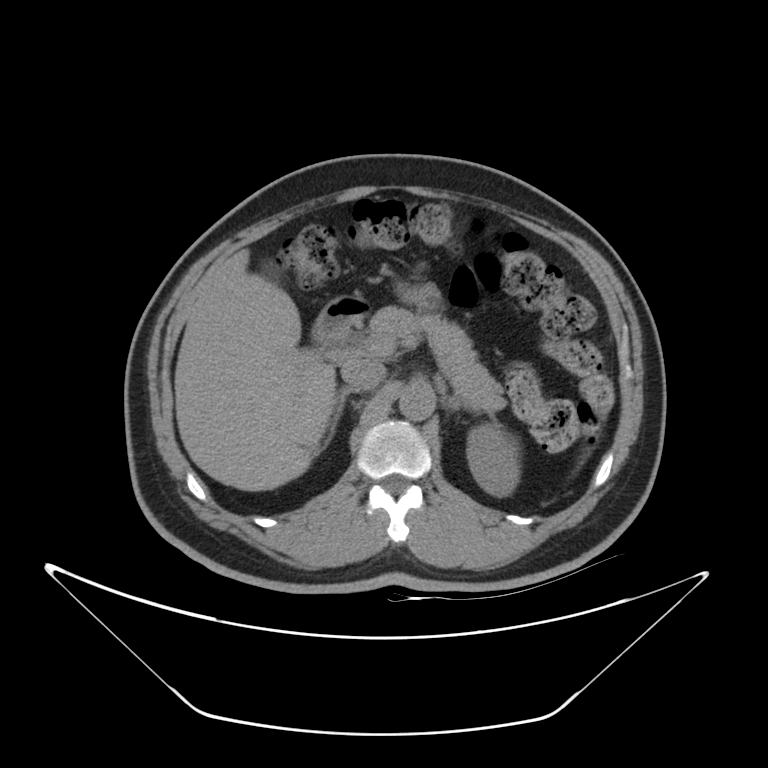

CT abdomen · axial view · W/L 400/40 HU
Boxes: x1:y1:x2:y2 in pixels.
Organ bounding boxes:
- left kidney: 466:424:520:496
- gall bladder: 262:261:278:283
- liver: 175:249:336:491
- aorta: 399:383:434:420
- inferior vena cava: 340:359:385:390
- pancreas: 368:307:508:413
- right adrenal gland: 324:388:353:445
- left adrenal gland: 444:394:462:410
- duodenum: 312:295:369:349